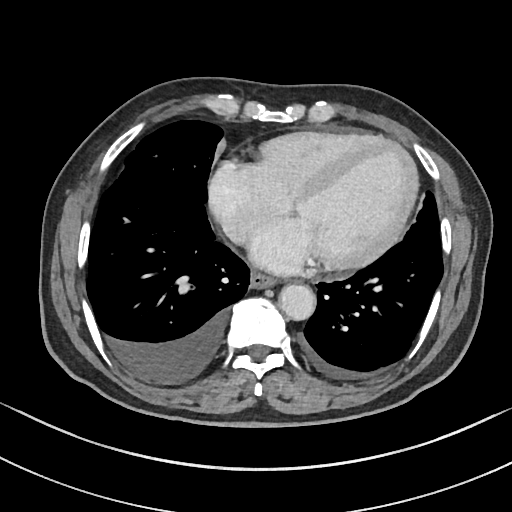
CT of the abdomen reaching into the lower chest, slice just above the liver and spleen · axial view · acquired on SOMATOM Force
Of the structures in the chest, this dataset labels only the esophagus, the aorta and the inferior vena cava; the heart and lungs have no label.
Bounding boxes in pixels, one row per box: x1, y1 is the top-left corner and x2, y2 the bottom-right.
| organ | x1 | y1 | x2 | y2 |
|---|---|---|---|---|
| esophagus | 251 | 270 | 277 | 287 |
| aorta | 278 | 283 | 315 | 319 |